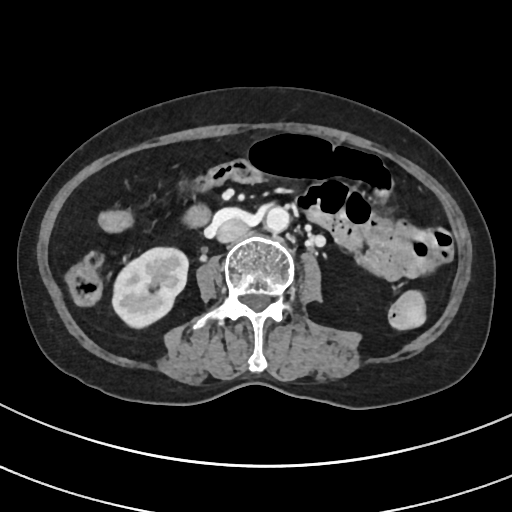 Abdominal CT · axial view · abdomen soft-tissue window · 512x512 px · 15 organs annotated in this scan (a whole-scan count: organs this slice does not pass through have no box)
Each box given as x1,y1,x2,y2.
Organ bounding boxes:
- duodenum: x1=186, y1=206, x2=209, y2=225
- right kidney: x1=113, y1=247, x2=187, y2=327
- aorta: x1=266, y1=207, x2=290, y2=231
- inferior vena cava: x1=217, y1=218, x2=248, y2=241